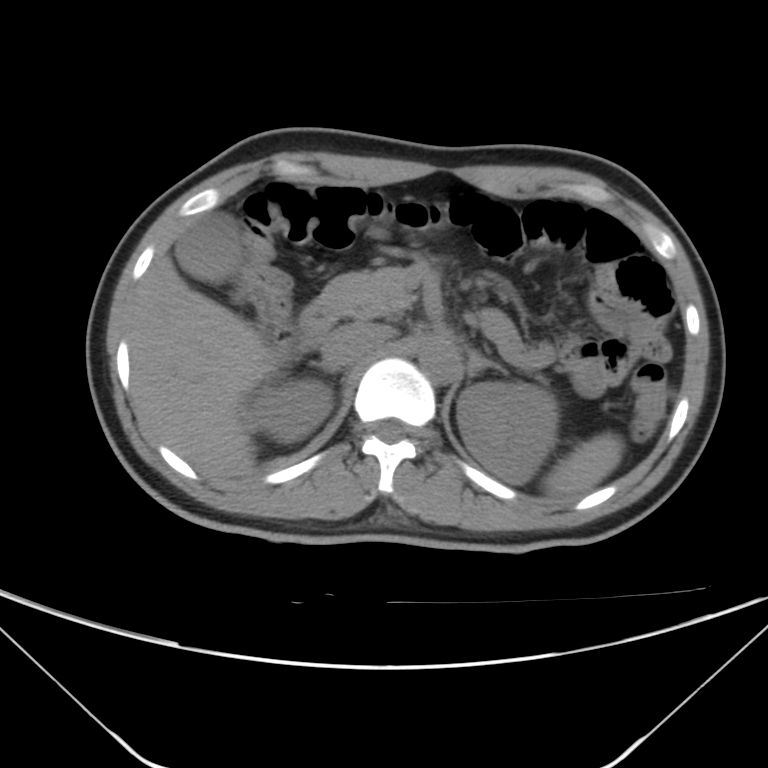 Computed tomography, abdomen; axial plane, index 69
Boxes: x1:y1:x2:y2 in pixels. 11 labeled organs on this slice — spleen at 542:433:624:497; right kidney at 251:377:331:441; left kidney at 456:382:557:484; gall bladder at 176:213:240:280; liver at 129:254:279:481; aorta at 418:340:458:383; inferior vena cava at 321:322:386:370; pancreas at 317:267:414:318; right adrenal gland at 311:361:333:373; left adrenal gland at 467:350:508:380; duodenum at 299:301:336:343.